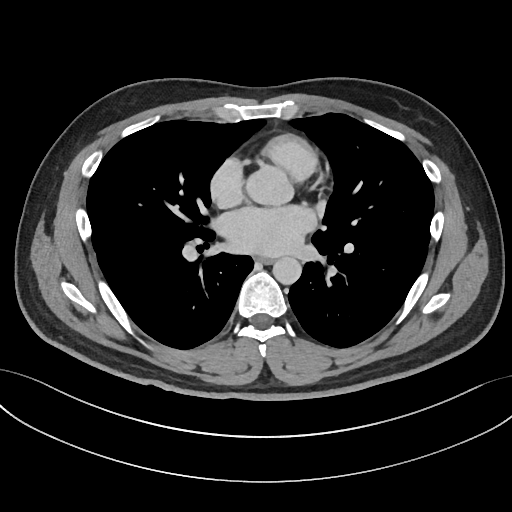

Abdominal CT reaching into the chest; this slice is in the chest · axial view · 512x512 px · SOMATOM Force scanner
At this level of the chest this dataset labels only the esophagus and the aorta, and each is boxed only where it is labeled; the heart and lungs are never labeled.
Bounding boxes as [x1, y1, x2, y2] in pixel coordinates.
esophagus: [255, 255, 273, 264]
aorta: [272, 257, 301, 285]